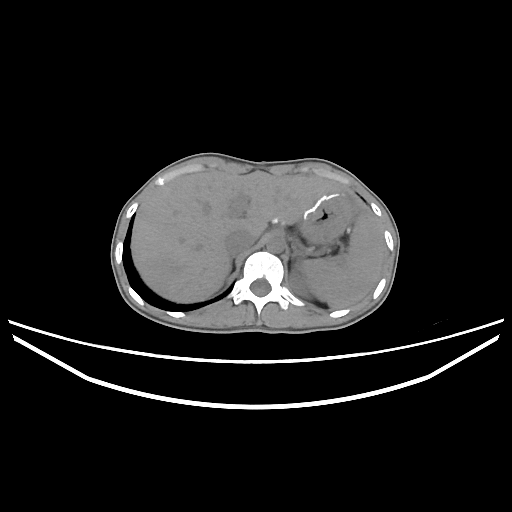 Abdominal CT · axial view · abdomen soft-tissue window
<organs><organ name="liver" x1="131" y1="170" x2="354" y2="302"/><organ name="left kidney" x1="289" y1="269" x2="310" y2="296"/><organ name="stomach" x1="299" y1="192" x2="355" y2="244"/><organ name="spleen" x1="301" y1="211" x2="385" y2="308"/><organ name="aorta" x1="266" y1="235" x2="284" y2="253"/><organ name="left adrenal gland" x1="291" y1="245" x2="305" y2="261"/><organ name="right adrenal gland" x1="229" y1="261" x2="232" y2="272"/><organ name="inferior vena cava" x1="224" y1="230" x2="256" y2="255"/></organs>